CT, abdomen/pelvis; axial plane, index 124; soft-tissue window (W 400 / L 40); scan has 15 labeled organs (counted over the whole 3D scan, not this slice; an organ is boxed only where this slice passes through it)
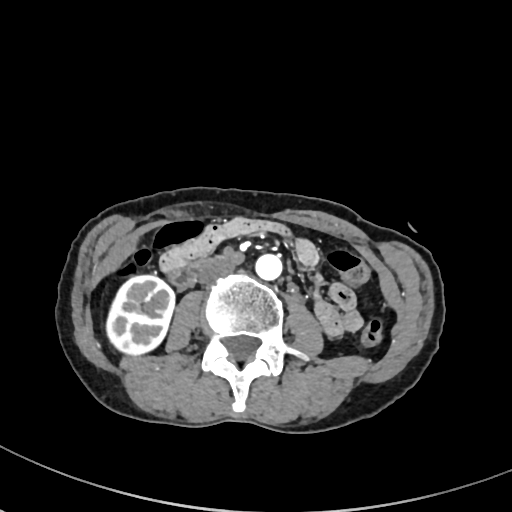
Bounding boxes as [x1, y1, x2, y2] in pixel coordinates.
Organ bounding boxes:
- inferior vena cava: [199, 261, 233, 284]
- right kidney: [106, 276, 174, 355]
- aorta: [256, 253, 283, 280]
- duodenum: [167, 254, 224, 287]